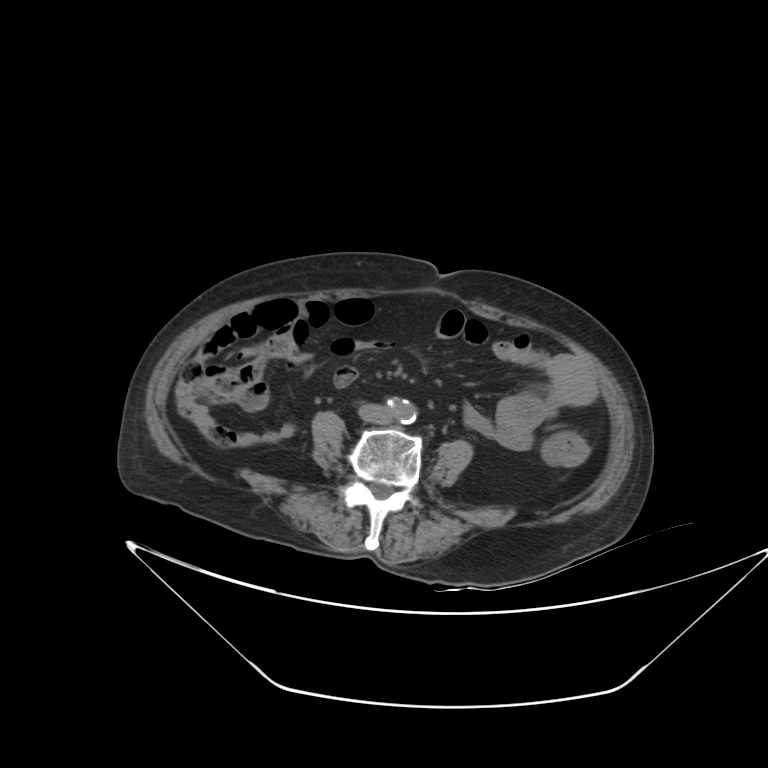
Abdominal CT — axial view — 768x768 px
Each box given as x1,y1,x2,y2.
inferior vena cava: x1=358, y1=404, x2=392, y2=422